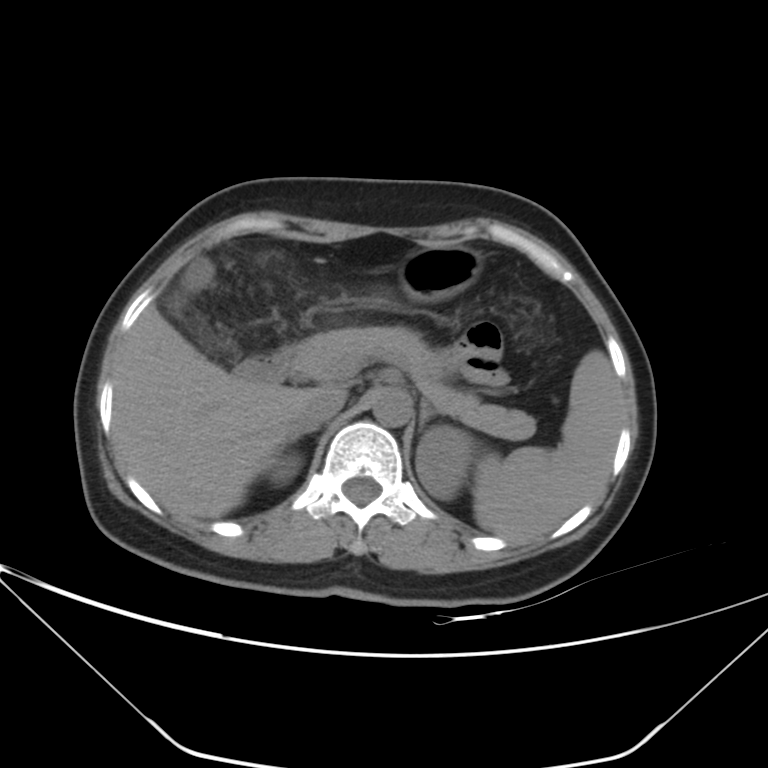
Computed tomography, abdomen · axial plane, index 64 · soft-tissue window
<organs><organ name="aorta" x1="373" y1="389" x2="410" y2="427"/><organ name="spleen" x1="472" y1="349" x2="621" y2="540"/><organ name="inferior vena cava" x1="301" y1="387" x2="345" y2="427"/><organ name="duodenum" x1="234" y1="346" x2="293" y2="383"/><organ name="right kidney" x1="273" y1="459" x2="296" y2="482"/><organ name="stomach" x1="400" y1="246" x2="482" y2="301"/><organ name="pancreas" x1="293" y1="326" x2="533" y2="437"/><organ name="left kidney" x1="415" y1="426" x2="477" y2="499"/><organ name="liver" x1="113" y1="305" x2="318" y2="518"/><organ name="left adrenal gland" x1="419" y1="398" x2="440" y2="430"/><organ name="gall bladder" x1="181" y1="258" x2="213" y2="288"/><organ name="right adrenal gland" x1="291" y1="426" x2="318" y2="443"/></organs>